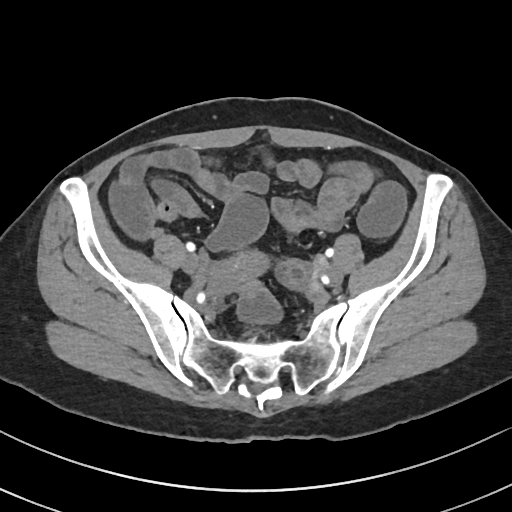
Computed tomography, abdomen. axial view. SOMATOM Force scanner
One row per box, in pixels: columns x1 and y1 give the top-left corner, x2 and y2 the bottom-right.
| organ | x1 | y1 | x2 | y2 |
|---|---|---|---|---|
| prostate/uterus | 208 | 253 | 266 | 295 |